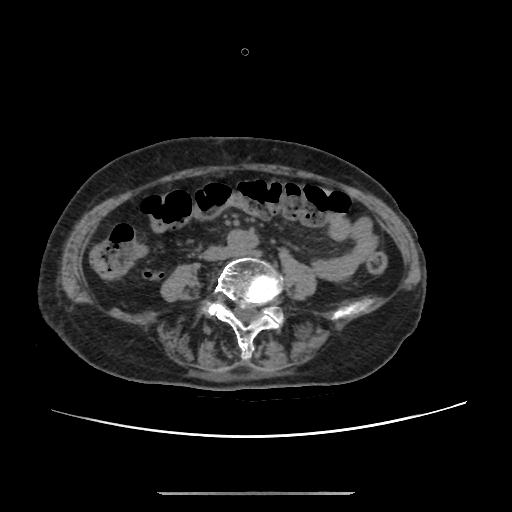

CT abdomen; axial view; scan has 14 labeled organs (counted over the whole 3D scan, not this slice; an organ is boxed only where this slice passes through it)
Boxes: x1:y1:x2:y2 in pixels. Labeled organs on this slice: aorta at 227:231:258:251, inferior vena cava at 204:247:229:260.